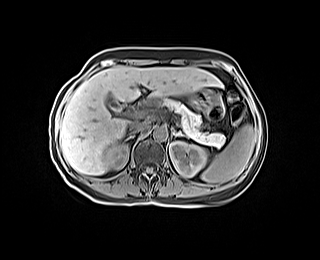

Magnetic resonance imaging, abdomen · axial view · percentile-normalized · acquired on Prisma
Boxes are (x1, y1, x2, y2) in pixels.
left kidney: (169, 141, 207, 177)
liver: (60, 66, 222, 175)
stomach: (188, 88, 217, 110)
gall bladder: (106, 95, 121, 110)
right kidney: (107, 143, 128, 169)
pancreas: (162, 99, 225, 145)
inferior vena cava: (130, 123, 147, 132)
left adrenal gland: (174, 133, 183, 136)
spleen: (201, 124, 255, 183)
aorta: (153, 127, 167, 140)
right adrenal gland: (125, 135, 133, 140)